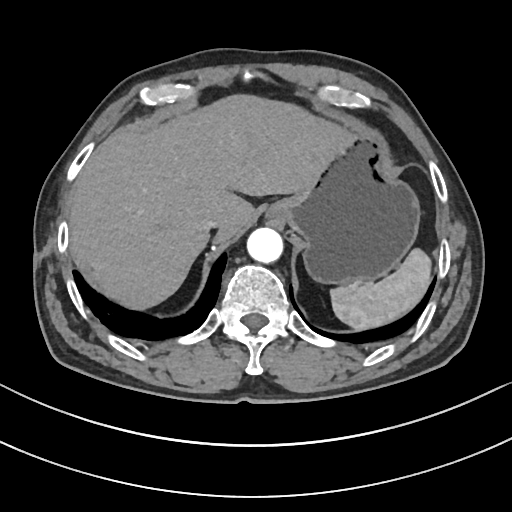
CT abdomen. axial plane, index 171. 512x512 px
{"organs":{"liver":[68,94,345,309],"inferior vena cava":[202,220,220,231],"spleen":[330,248,431,330],"stomach":[268,130,420,284],"aorta":[247,227,283,263]}}